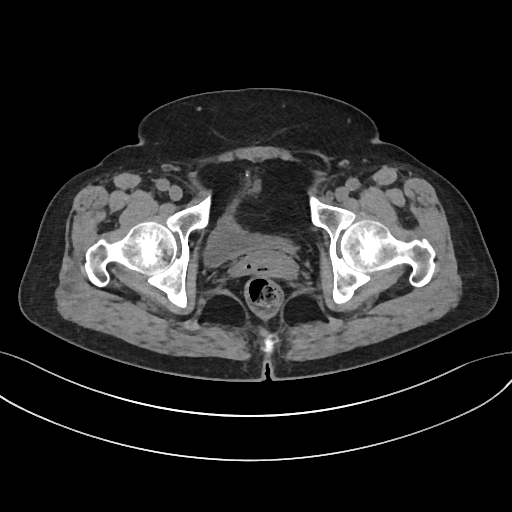 CT, abdomen/pelvis. axial plane, index 20. W/L 400/40 HU
{"organs":{"bladder":[203,218,293,268]}}